CT abdomen · axial view · soft-tissue window · 512x512 px
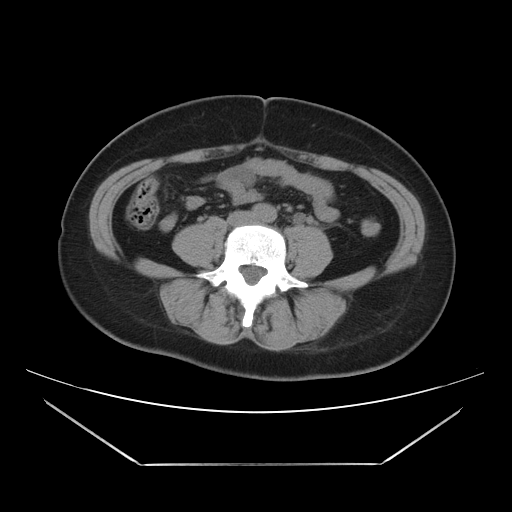

Organ boxes in pixel coordinates; each row gives the top-left (x1, y1) and bottom-right (x2, y2) corners.
| organ | x1 | y1 | x2 | y2 |
|---|---|---|---|---|
| inferior vena cava | 228 | 212 | 252 | 224 |
| aorta | 251 | 203 | 276 | 222 |